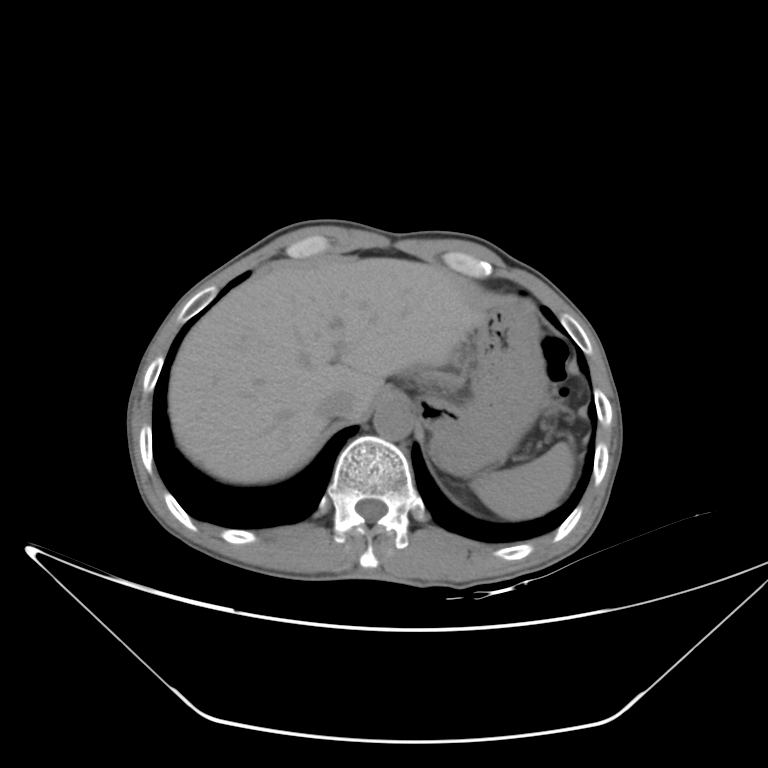 CT, abdomen/pelvis — axial view — 768x768 px — 63-year-old male patient — Brilliance16 scanner
<organs><organ name="stomach" x1="421" y1="295" x2="547" y2="474"/><organ name="spleen" x1="471" y1="442" x2="572" y2="519"/><organ name="liver" x1="169" y1="256" x2="495" y2="483"/><organ name="inferior vena cava" x1="317" y1="389" x2="356" y2="418"/><organ name="aorta" x1="373" y1="396" x2="413" y2="440"/></organs>